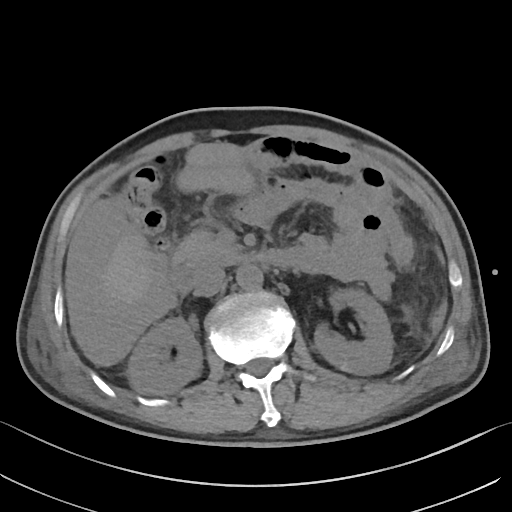

Computed tomography, abdomen; axial plane, index 58; soft-tissue window
One row per box, in pixels: columns x1 and y1 give the top-left corner, x2 and y2 the bottom-right.
| organ | x1 | y1 | x2 | y2 |
|---|---|---|---|---|
| duodenum | 169 | 249 | 293 | 294 |
| left kidney | 314 | 288 | 393 | 375 |
| inferior vena cava | 194 | 266 | 225 | 296 |
| aorta | 236 | 264 | 263 | 290 |
| right kidney | 128 | 317 | 202 | 394 |
| pancreas | 174 | 232 | 241 | 264 |
| liver | 66 | 234 | 154 | 302 |